Lower-chest slice from an abdominal CT, just above the liver and spleen; axial view; soft-tissue window; 512x512 px; acquired on SOMATOM Force
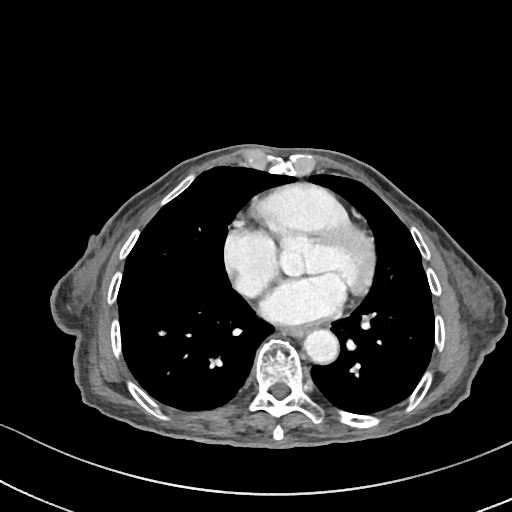 Of the structures in the chest, this dataset labels only the esophagus, the aorta and the inferior vena cava; the heart and lungs have no label.
Boxes are (x1, y1, x2, y2) in pixels.
Organ bounding boxes:
- esophagus: (278, 326, 306, 335)
- aorta: (303, 329, 338, 363)